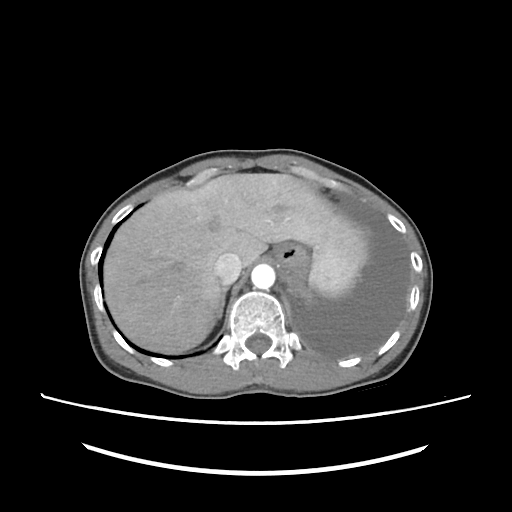 Abdominal CT. Axial slice 72/88. 46-year-old male patient
Bounding boxes as [x1, y1, x2, y2] in pixel coordinates.
spleen: [308, 246, 359, 297]
liver: [104, 173, 366, 353]
stomach: [275, 243, 309, 277]
aorta: [251, 264, 275, 289]
inferior vena cava: [214, 252, 242, 284]
right adrenal gland: [211, 286, 228, 318]